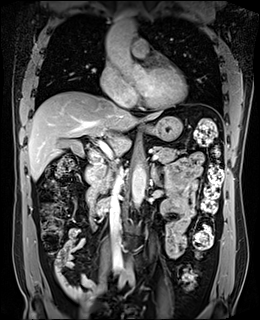
Abdominal MR · Coronal slice 78/144 · 1st–99th percentile window
Boxes: x1:y1:x2:y2 in pixels. Labeled organs on this slice: aorta at 105:18:146:80, aorta at 131:162:146:207, aorta at 122:262:134:273, liver at 28:91:162:180, stomach at 143:116:182:141, pancreas at 95:146:180:193, duodenum at 85:152:109:215, inferior vena cava at 109:167:122:273, left adrenal gland at 151:163:161:181, gall bladder at 62:139:84:156.